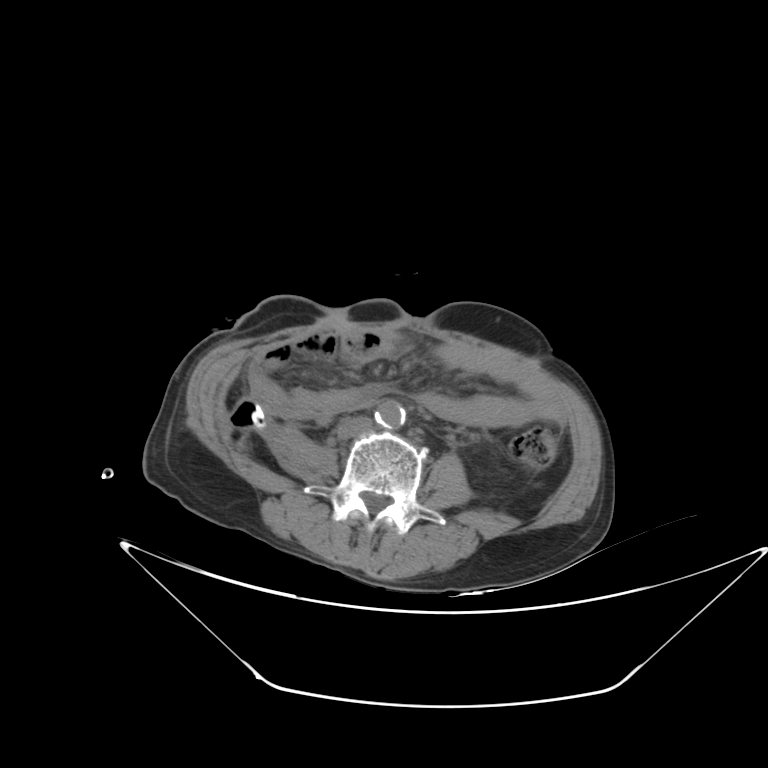

Computed tomography, abdomen — axial view — soft-tissue window — 768x768 px — acquired on Brilliance16
Box edges are left/top/right/bottom in pixels.
aorta: left=375, top=400, right=405, bottom=429
inferior vena cava: left=337, top=416, right=372, bottom=438